CT, abdomen/pelvis. axial plane, index 210. W/L 400/40 HU
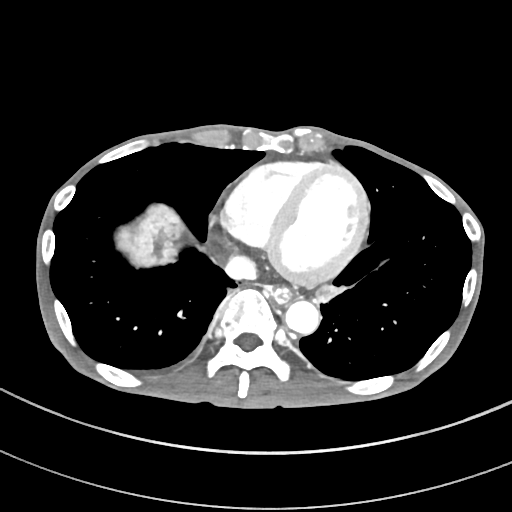
<organs><organ name="esophagus" x1="272" y1="288" x2="290" y2="304"/><organ name="liver" x1="117" y1="205" x2="344" y2="302"/><organ name="aorta" x1="285" y1="300" x2="319" y2="333"/><organ name="inferior vena cava" x1="225" y1="254" x2="256" y2="279"/></organs>